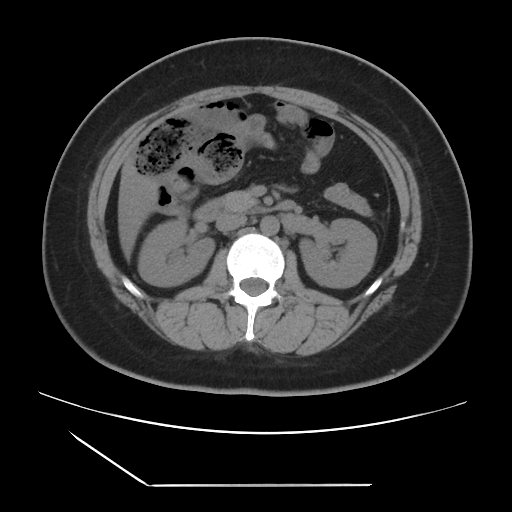 Computed tomography, abdomen · axial view · W/L 400/40 HU · 15 organs annotated in this scan (a whole-scan count: organs this slice does not pass through have no box)
{"organs":{"duodenum":[193,199,294,221],"aorta":[260,216,279,235],"left kidney":[299,218,377,288],"pancreas":[219,191,257,211],"right kidney":[138,219,214,286],"liver":[118,159,158,260],"inferior vena cava":[215,213,246,231]}}